Abdominal MRI; this slice is in the lower chest, just above the liver; axial view; acquired on Prisma
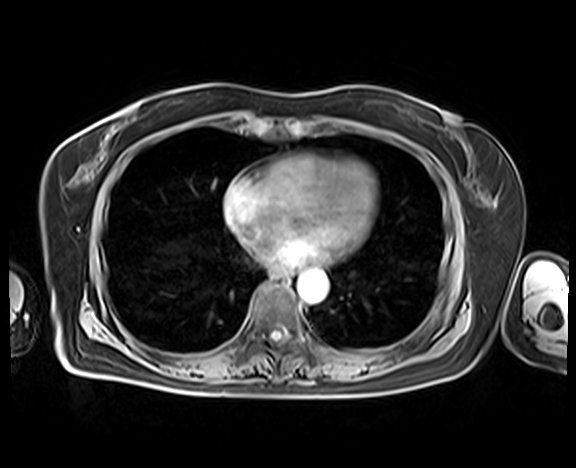

The heart and lungs are never labeled in this dataset, so they have no box on this slice. Boxes: x1 y1 x2 y2 (pixel coords, space-separated). The annotated organs in this slice are: esophagus at 275 269 290 281, aorta at 297 271 327 302.